Computed tomography, abdomen; axial view; 512x512 px; scan has 15 labeled organs (counted over the whole 3D scan, not this slice; an organ is boxed only where this slice passes through it)
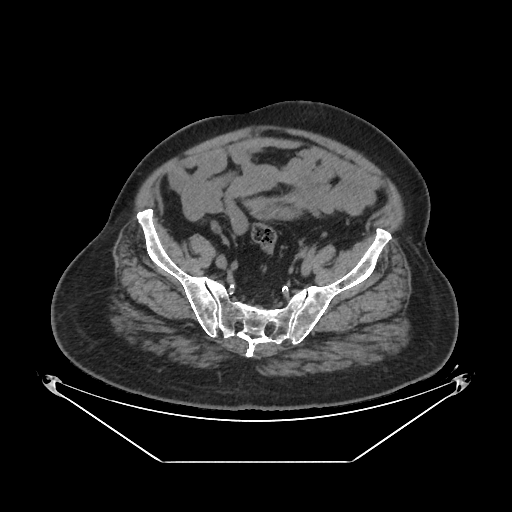

{"organs":{"bladder":[252,207,273,218]}}